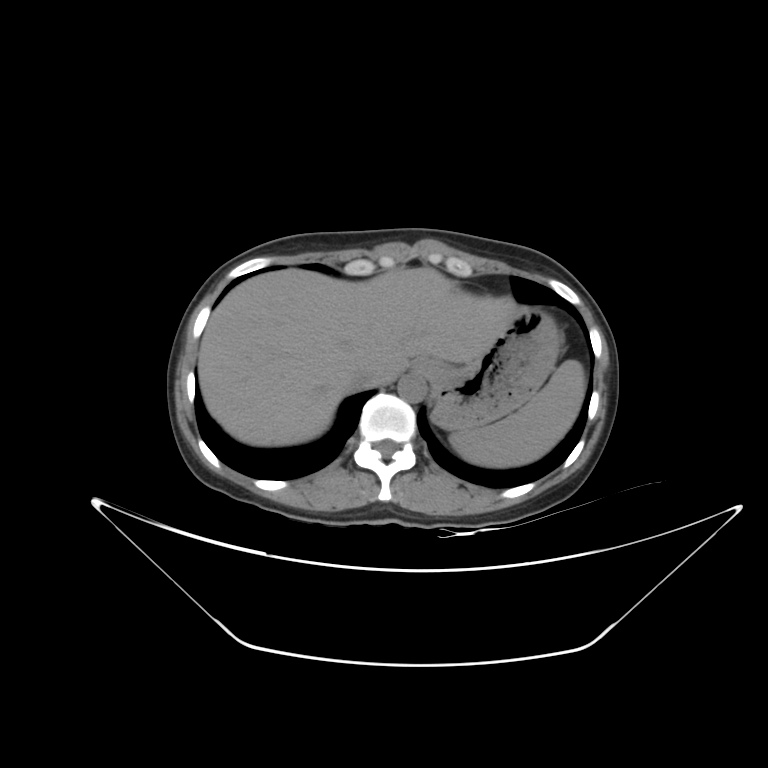 CT, abdomen/pelvis; axial view; 768x768 px; acquired on Brilliance16; scan has 15 labeled organs (counted over the whole 3D scan, not this slice; an organ is boxed only where this slice passes through it)
Boxes: x1 y1 x2 y2 (pixel coords, space-separated).
Organ bounding boxes:
- spleen: 449 360 585 467
- esophagus: 411 359 436 375
- liver: 198 267 519 446
- stomach: 429 306 562 429
- aorta: 398 374 426 402
- inferior vena cava: 350 368 375 388